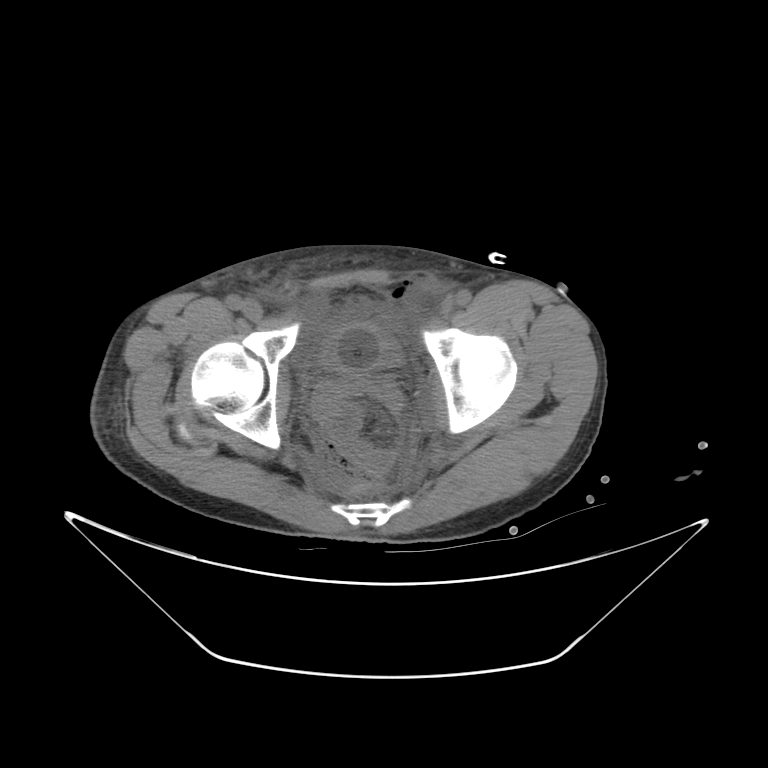 Computed tomography, abdomen; Axial slice 17/91; 39-year-old male patient
Coordinates as <box>x1,y1,x2,y2</box> in pixels. The annotated organs in this slice are: bladder at <box>319,322,401,370</box>.